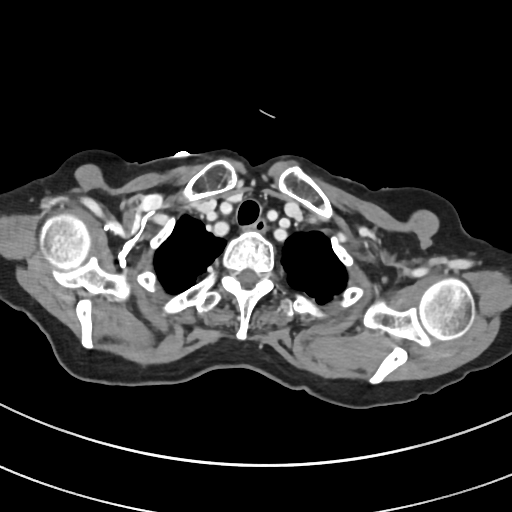 CT of the abdomen extending into the chest, slice through the chest. axial view. soft-tissue window, W/L 400/40. 512x512 px. SOMATOM Force scanner
At this level of the chest this dataset labels only the esophagus and the aorta, and each is boxed only where it is labeled; the heart and lungs are never labeled.
<organs><organ name="esophagus" x1="253" y1="219" x2="267" y2="233"/></organs>